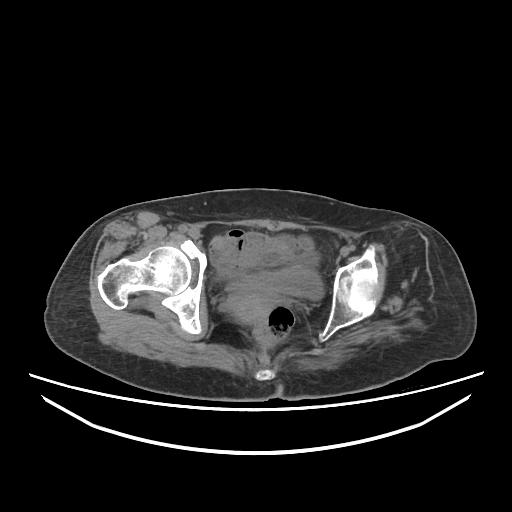 CT, abdomen/pelvis · axial view · W/L 400/40 HU
Bounding boxes in pixels, one row per box: x1, y1 is the top-left corner and x2, y2 the bottom-right.
| organ | x1 | y1 | x2 | y2 |
|---|---|---|---|---|
| bladder | 225 | 265 | 323 | 299 |
| prostate/uterus | 227 | 290 | 276 | 323 |